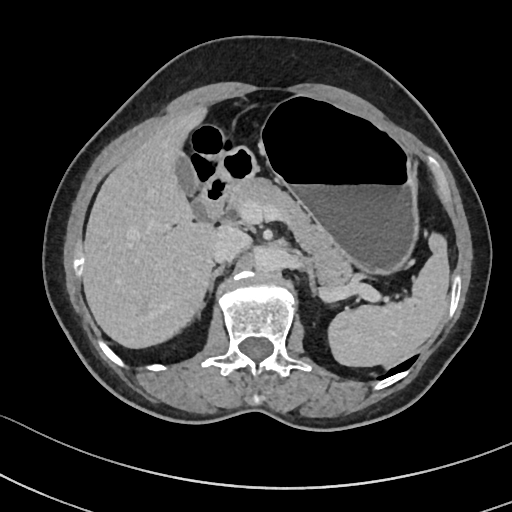 Computed tomography, abdomen. Axial slice 139/192. acquired on SOMATOM Force
{"organs":{"aorta":[255,245,288,272],"pancreas":[226,178,353,287],"left adrenal gland":[299,256,318,296],"gall bladder":[174,153,198,195],"inferior vena cava":[211,226,250,262],"duodenum":[194,146,258,222],"spleen":[328,232,449,366],"liver":[82,106,215,348],"stomach":[253,96,418,273],"right adrenal gland":[201,265,224,298]}}